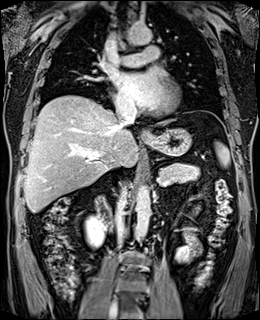

Abdominal MRI — coronal view — 1st–99th percentile window — 260x320 px — 13 organs annotated in this scan (counted over the whole 3D scan, not this slice; an organ is boxed only where this slice passes through it)
Organ boxes in pixel coordinates; each row gives the top-left (x1, y1) and bottom-right (x2, y2) corners.
| organ | x1 | y1 | x2 | y2 |
|---|---|---|---|---|
| spleen | 216 | 142 | 229 | 166 |
| right kidney | 85 | 216 | 105 | 247 |
| esophagus | 141 | 130 | 150 | 139 |
| liver | 24 | 95 | 167 | 212 |
| stomach | 144 | 128 | 191 | 155 |
| aorta | 136 | 185 | 150 | 239 |
| aorta | 127 | 24 | 151 | 44 |
| inferior vena cava | 116 | 187 | 126 | 246 |
| inferior vena cava | 115 | 103 | 136 | 128 |
| pancreas | 159 | 163 | 199 | 184 |
| duodenum | 95 | 196 | 112 | 230 |